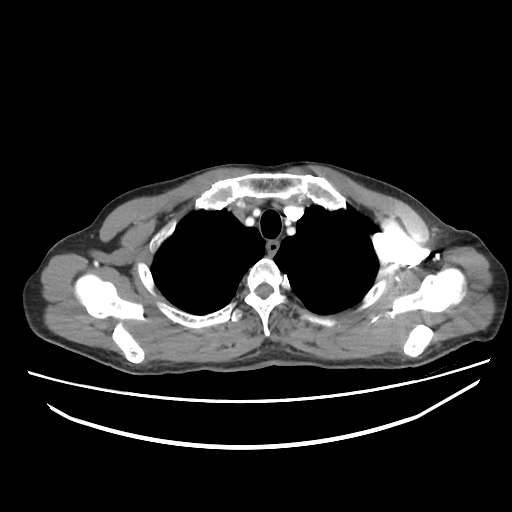

CT of the abdomen extending into the chest, slice through the chest. axial view. soft-tissue window, W/L 400/40. 63-year-old male patient. acquired on Aquilion ONE. scan has 13 labeled organs (a whole-scan count: organs this slice does not pass through have no box)
On a slice this high in the chest, this dataset labels only the esophagus and the aorta, and each is boxed only where it is labeled; the heart, lungs and other chest structures are not labeled.
{"organs":{"esophagus":[267,241,278,253]}}